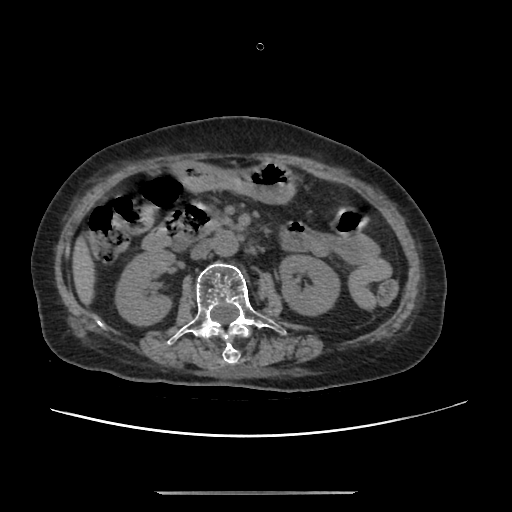

Computed tomography, abdomen — Axial slice 221/353 — acquired on SOMATOM Force
One row per box, in pixels: columns x1 and y1 give the top-left corner, x2 and y2 the bottom-right.
| organ | x1 | y1 | x2 | y2 |
|---|---|---|---|---|
| right kidney | 115 | 248 | 176 | 324 |
| left kidney | 279 | 255 | 338 | 313 |
| liver | 73 | 242 | 92 | 302 |
| stomach | 173 | 160 | 293 | 202 |
| aorta | 213 | 230 | 236 | 255 |
| inferior vena cava | 190 | 240 | 213 | 258 |
| pancreas | 208 | 212 | 236 | 228 |
| duodenum | 142 | 202 | 211 | 249 |